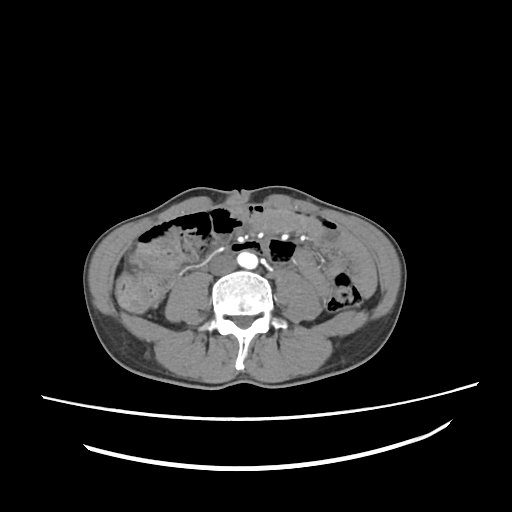
CT abdomen. axial plane, index 49. W/L 400/40 HU. Aquilion ONE scanner
Each box given as x1,y1,x2,y2.
aorta: x1=237, y1=252, x2=257, y2=268
inferior vena cava: x1=209, y1=254, x2=236, y2=275